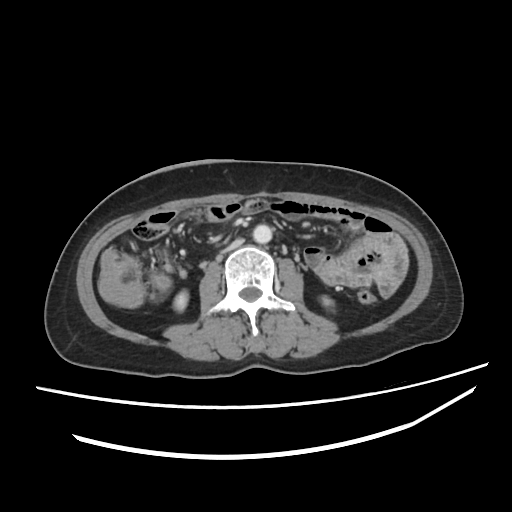
CT abdomen; Axial slice 50/118; scan has 15 labeled organs (counted over the whole 3D scan, not this slice; an organ is boxed only where this slice passes through it)
Boxes: x1:y1:x2:y2 in pixels.
inferior vena cava: 221:238:243:252
right kidney: 174:291:187:310
aorta: 253:224:272:243
left kidney: 322:297:331:306